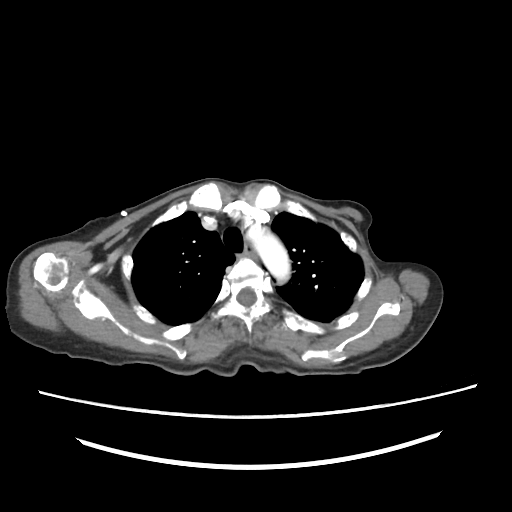
Abdominal CT reaching into the chest; this slice is in the chest · axial plane, index 100 · 48-year-old female patient
On a slice this high in the chest, this dataset labels only the esophagus and the aorta, and each is boxed only where it is labeled; the heart, lungs and other chest structures are not labeled. Boxes: x1 y1 x2 y2 (pixel coords, space-separated). The annotated organs in this slice are: esophagus at 243 244 257 260, aorta at 247 225 290 282.